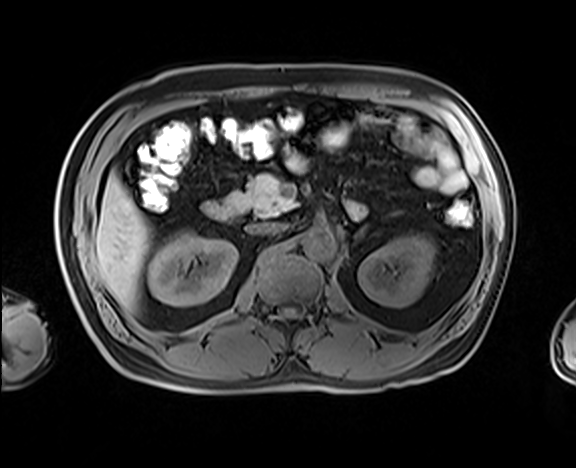
MRI, abdomen; axial view; percentile-normalized; Prisma scanner; 13 organs annotated in this scan (a whole-scan count: organs this slice does not pass through have no box)
Organ boxes in pixel coordinates; each row gives the top-left (x1, y1) and bottom-right (x2, y2) corners.
| organ | x1 | y1 | x2 | y2 |
|---|---|---|---|---|
| aorta | 301 | 227 | 336 | 259 |
| duodenum | 203 | 202 | 235 | 220 |
| pancreas | 226 | 174 | 294 | 216 |
| left adrenal gland | 354 | 225 | 369 | 241 |
| liver | 95 | 173 | 150 | 310 |
| left kidney | 358 | 235 | 435 | 307 |
| right kidney | 148 | 231 | 237 | 306 |
| inferior vena cava | 247 | 223 | 287 | 234 |